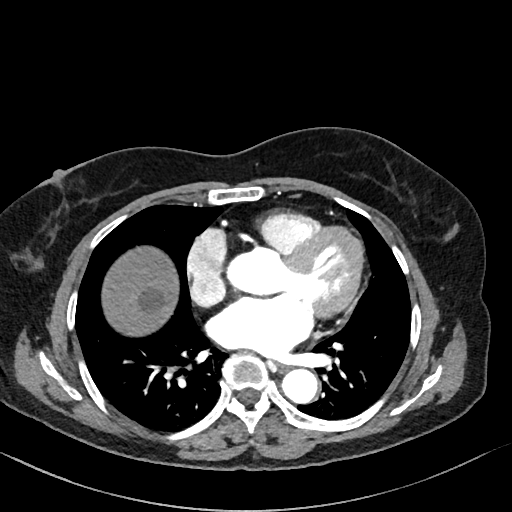

Computed tomography, abdomen; Axial slice 215/222; abdomen soft-tissue window; 512x512 px; 15 organs annotated in this scan (that count is for the whole scan; organs this slice misses have no box)
Each box given as x1,y1,x2,y2.
esophagus: x1=277, y1=362, x2=288, y2=371
aorta: x1=282, y1=368, x2=318, y2=403
liver: x1=103, y1=248, x2=178, y2=336